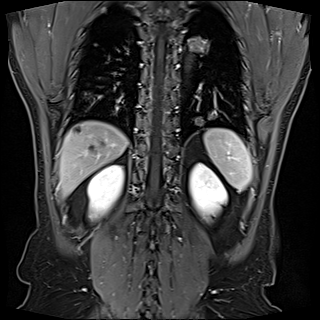

Magnetic resonance imaging, abdomen · coronal acquisition · percentile-normalized · 320x320 px · acquired on Prisma · 13 organs annotated in this scan (a whole-scan count: organs this slice does not pass through have no box)
<organs><organ name="liver" x1="59" y1="121" x2="128" y2="195"/><organ name="spleen" x1="204" y1="128" x2="252" y2="191"/><organ name="left kidney" x1="190" y1="163" x2="228" y2="217"/><organ name="right kidney" x1="86" y1="165" x2="125" y2="217"/></organs>